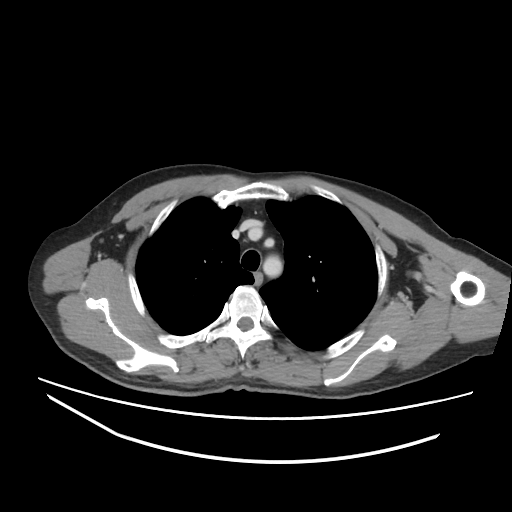 Abdominal CT reaching into the chest; this slice is in the chest. axial view. 512x512 px. 15 organs annotated in this scan (that count is for the whole scan; organs this slice misses have no box)
At this level of the chest no structure but the esophagus and the aorta has a label in this dataset, and those two are boxed only where they are labeled.
Boxes are (x1, y1, x2, y2) in pixels.
esophagus: (252, 271, 261, 286)
aorta: (263, 256, 282, 276)